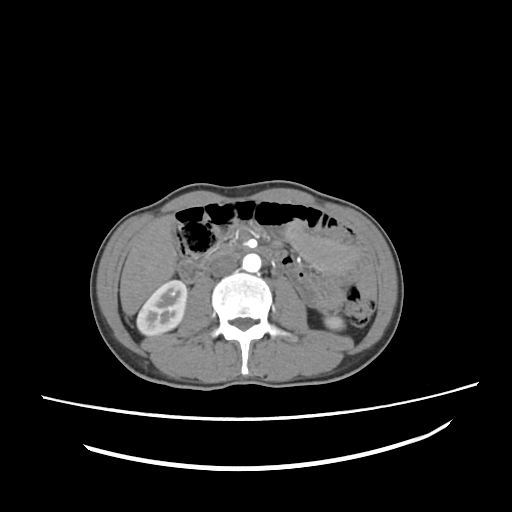 CT abdomen. Axial slice 57/133
<organs><organ name="inferior vena cava" x1="209" y1="256" x2="237" y2="276"/><organ name="left kidney" x1="325" y1="316" x2="343" y2="329"/><organ name="liver" x1="120" y1="217" x2="176" y2="315"/><organ name="aorta" x1="242" y1="253" x2="261" y2="272"/><organ name="duodenum" x1="179" y1="245" x2="286" y2="282"/><organ name="right kidney" x1="136" y1="280" x2="187" y2="335"/></organs>